Computed tomography, abdomen — axial view — 80-year-old female patient — Brilliance16 scanner — scan has 14 labeled organs (counted over the whole 3D scan, not this slice; an organ is boxed only where this slice passes through it)
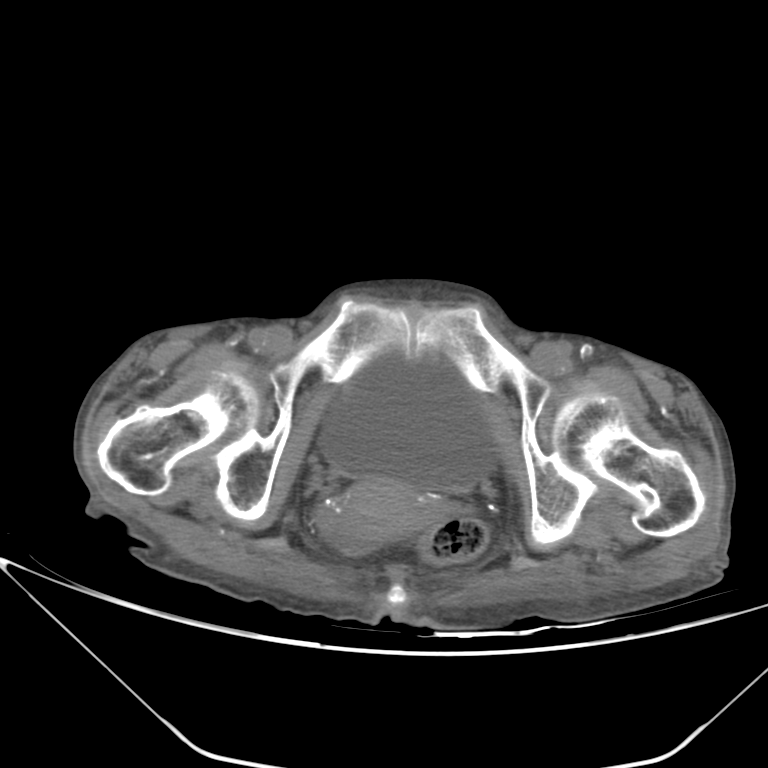

Coordinates as <box>x1,y1,x2,y2</box> in pixels.
Organ bounding boxes:
- bladder: <box>319,350,495,490</box>
- prostate/uterus: <box>328,477,444,540</box>